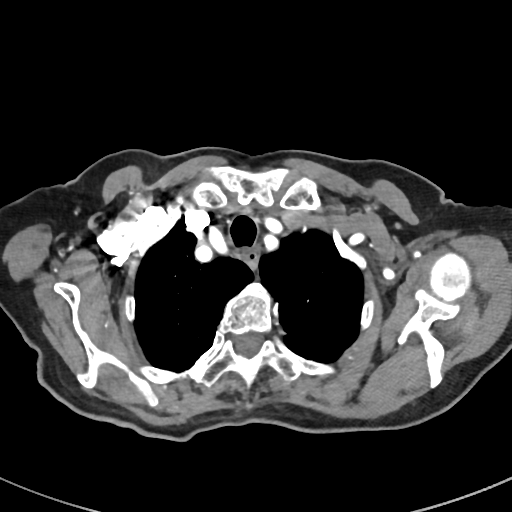
CT of the abdomen extending into the chest, slice through the chest. axial view
At this level of the chest no structure but the esophagus and the aorta has a label in this dataset, and those two are boxed only where they are labeled.
Bounding boxes as [x1, y1, x2, y2] in pixel coordinates.
Organ bounding boxes:
- esophagus: [246, 250, 258, 268]